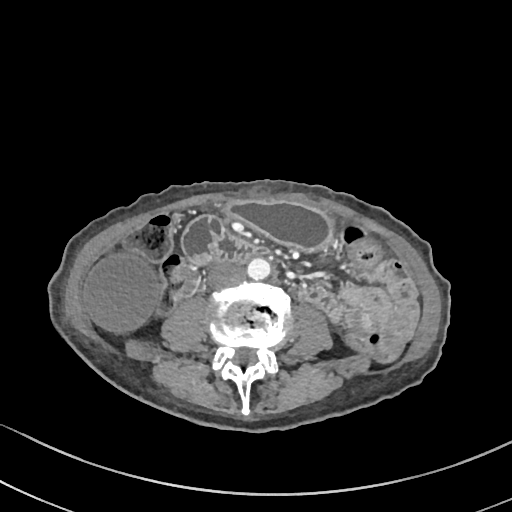 CT abdomen. axial plane, index 135. 15 organs annotated in this scan (counted over the whole 3D scan, not this slice; an organ is boxed only where this slice passes through it)
Bounding boxes as [x1, y1, x2, y2] in pixel coordinates.
Organ bounding boxes:
- gall bladder: [82, 254, 160, 332]
- stomach: [225, 202, 330, 249]
- aorta: [247, 257, 271, 279]
- inferior vena cava: [209, 263, 245, 287]
- duodenum: [182, 216, 270, 263]